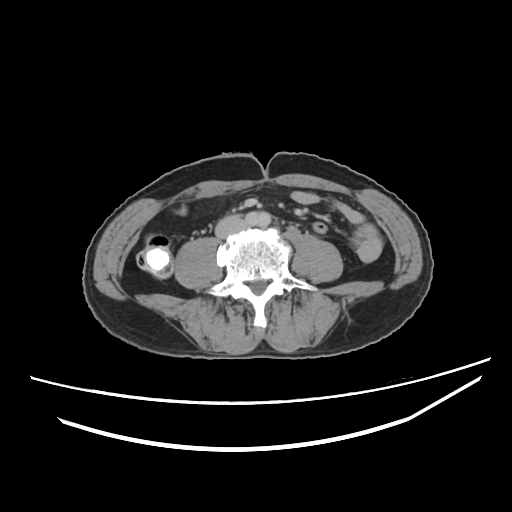
CT abdomen; Axial slice 56/104; 512x512 px; Aquilion ONE scanner
Coordinates as <box>x1,y1,x2,y2</box> in pixels.
inferior vena cava: <box>216,216,245,238</box>